Abdominal CT — axial view — 47-year-old male patient — Aquilion ONE scanner
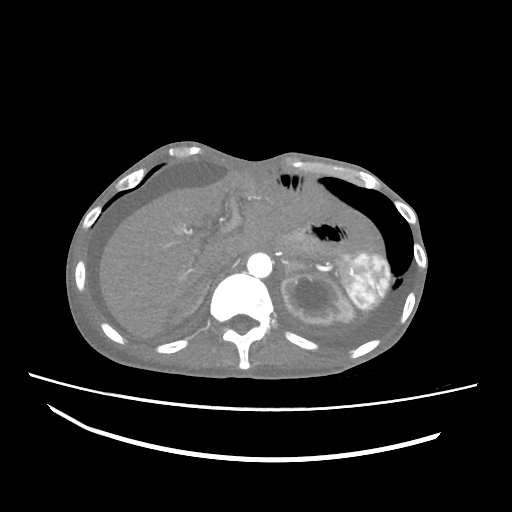
Boxes: x1 y1 x2 y2 (pixel coords, space-separated).
spleen: 339 253 389 310
left kidney: 278 273 354 324
liver: 99 172 269 338
aorta: 247 253 272 277
inferior vena cava: 207 252 234 274
right adrenal gland: 175 277 212 318
left adrenal gland: 284 261 307 277